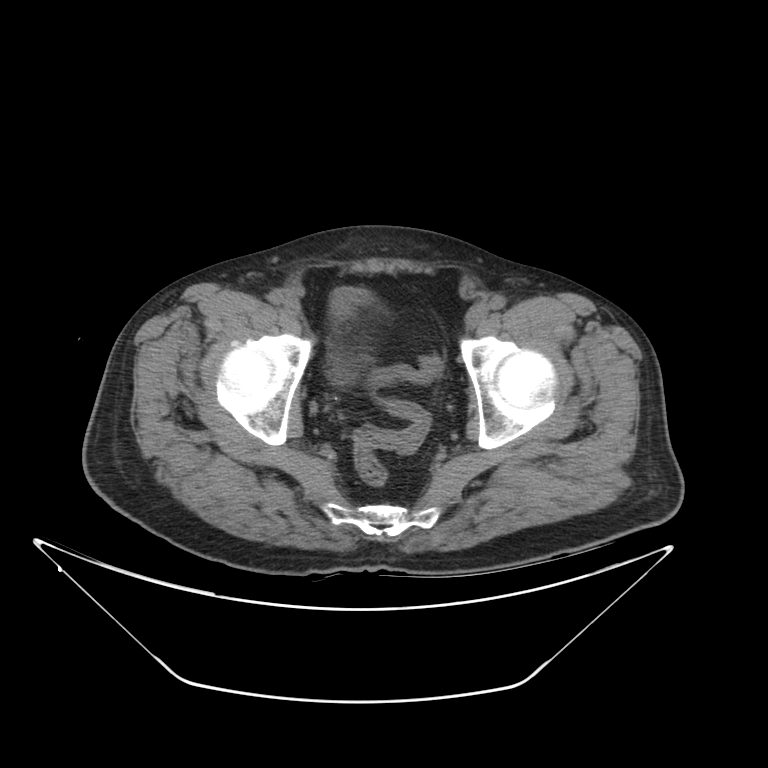

CT, abdomen/pelvis; axial plane, index 19; 768x768 px; 66-year-old male patient; acquired on Brilliance16
Each box given as x1,y1,x2,y2. 1 labeled organ on this slice — bladder at x1=333, y1=286, x2=370, y2=315.